CT abdomen; axial view; abdomen soft-tissue window; acquired on Aquilion ONE; scan has 15 labeled organs (that count is for the whole scan; organs this slice misses have no box)
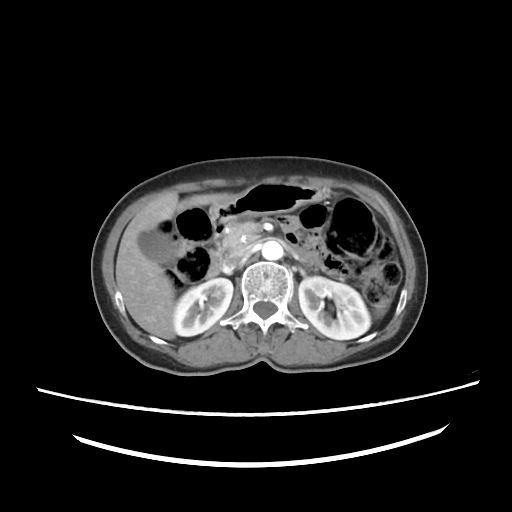
Boxes are (x1, y1, x2, y2) in pixels.
Organ bounding boxes:
- right kidney: (172, 278, 233, 337)
- stomach: (208, 184, 326, 220)
- pancreas: (222, 222, 258, 252)
- inferior vena cava: (224, 243, 253, 267)
- duodenum: (204, 220, 227, 280)
- liver: (115, 190, 229, 339)
- gall bladder: (138, 232, 174, 262)
- aorta: (261, 240, 283, 260)
- left kidney: (298, 276, 372, 339)